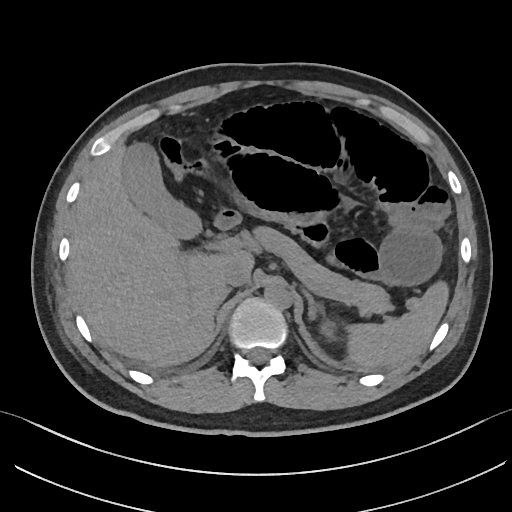

Computed tomography, abdomen. axial plane, index 178. 512x512 px. acquired on SOMATOM Force
Each box given as x1,y1,x2,y2. The annotated organs in this slice are: gall bladder at x1=123, y1=144, x2=203, y2=240, right adrenal gland at x1=218, y1=287, x2=231, y2=302, liver at x1=67, y1=144, x2=252, y2=366, duodenum at x1=215, y1=210, x2=240, y2=231, left kidney at x1=320, y1=318, x2=335, y2=339, aorta at x1=264, y1=284, x2=292, y2=307, left adrenal gland at x1=303, y1=289, x2=323, y2=318, spleen at x1=348, y1=283, x2=449, y2=368, pancreas at x1=251, y1=225, x2=391, y2=314, inferior vena cava at x1=221, y1=260, x2=248, y2=287.